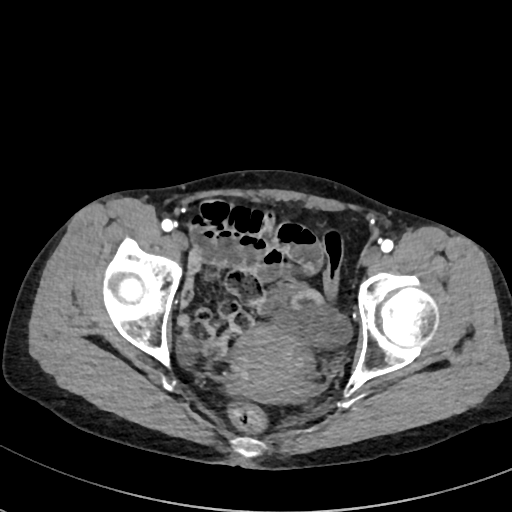
CT, abdomen/pelvis · axial view · 512x512 px · acquired on SOMATOM Force
{"organs":{"bladder":[304,305,352,342],"prostate/uterus":[232,324,314,402]}}